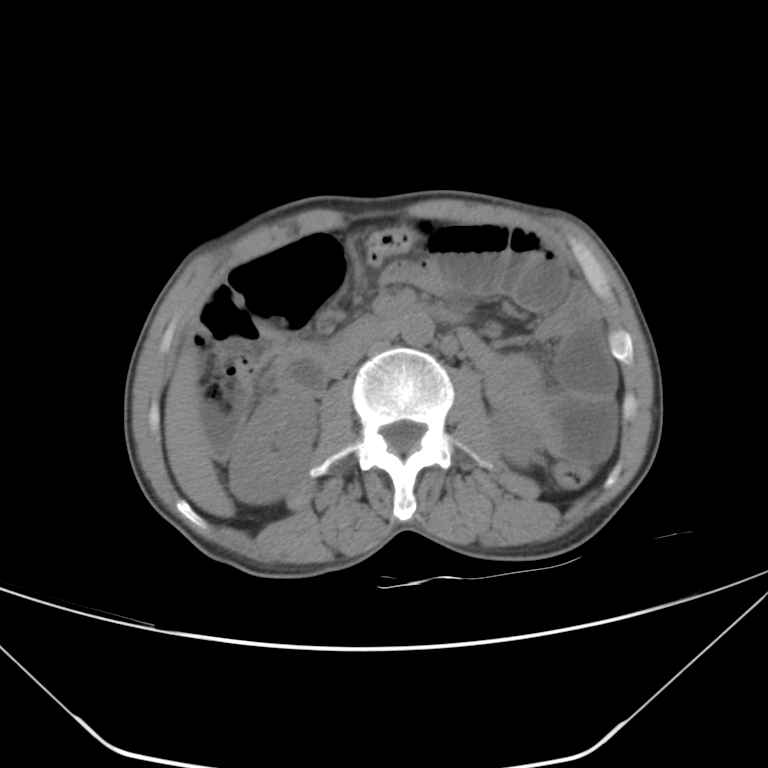

Computed tomography, abdomen · axial view
Coordinates as <box>x1,y1,x2,y2</box> in pixels.
Organ bounding boxes:
- liver: <box>164,347,234,515</box>
- inferior vena cava: <box>329,332,390,378</box>
- left kidney: <box>490,407,537,467</box>
- right kidney: <box>228,392,316,504</box>
- aorta: <box>399,312,433,346</box>
- duodenum: <box>273,310,406,395</box>